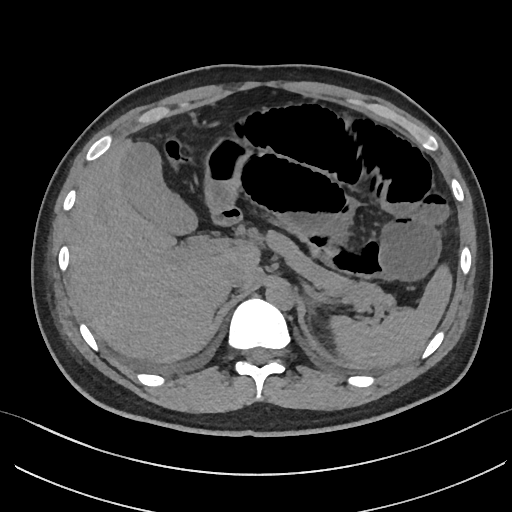
Computed tomography, abdomen; axial view; 512x512 px
<organs><organ name="spleen" x1="331" y1="265" x2="451" y2="367"/><organ name="gall bladder" x1="122" y1="142" x2="198" y2="236"/><organ name="liver" x1="69" y1="141" x2="259" y2="364"/><organ name="stomach" x1="207" y1="137" x2="250" y2="206"/><organ name="aorta" x1="265" y1="285" x2="293" y2="309"/><organ name="inferior vena cava" x1="222" y1="263" x2="247" y2="287"/><organ name="pancreas" x1="266" y1="230" x2="392" y2="311"/><organ name="left adrenal gland" x1="308" y1="295" x2="317" y2="315"/><organ name="duodenum" x1="212" y1="204" x2="242" y2="227"/></organs>